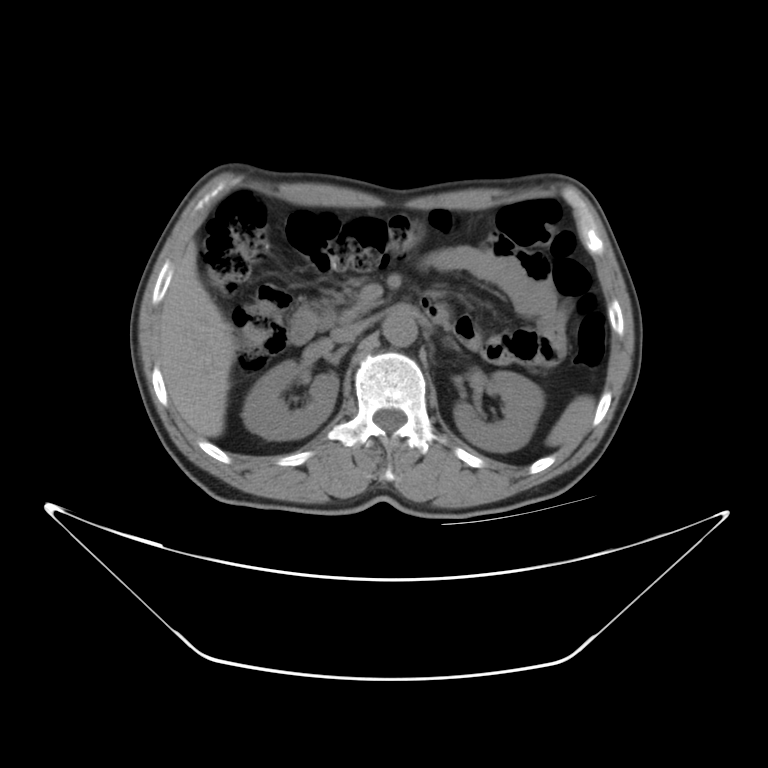

CT, abdomen/pelvis — axial plane, index 63 — abdomen soft-tissue window
{"organs":{"spleen":[546,393,595,445],"right kidney":[245,362,341,439],"left kidney":[452,372,544,453],"liver":[159,239,237,438],"aorta":[380,311,417,347],"inferior vena cava":[334,323,366,342],"pancreas":[313,279,368,325],"left adrenal gland":[443,338,461,352],"duodenum":[288,296,450,344]}}